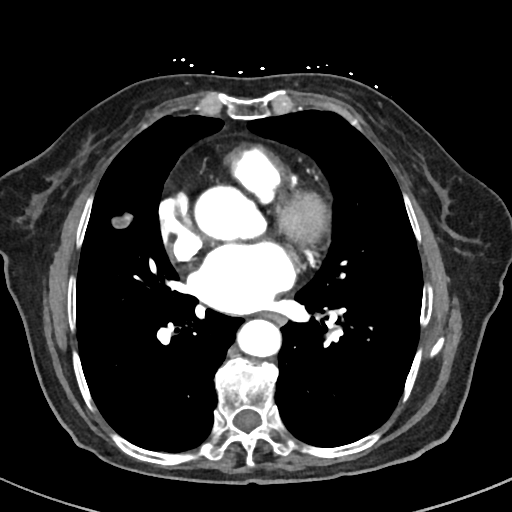

Lower-chest slice from an abdominal CT, just above the liver and spleen — axial plane, index 204
No part of the heart or lungs is labeled in this dataset, so neither has a box here.
Boxes: x1 y1 x2 y2 (pixel coords, space-separated).
aorta: 192 185 265 240
aorta: 238 319 282 358
esophagus: 265 313 286 324